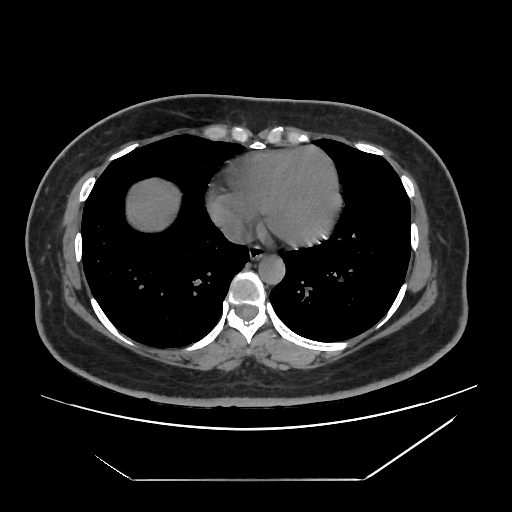
Abdominal CT — axial view — acquired on SOMATOM Force
{"organs":{"esophagus":[249,246,264,259],"inferior vena cava":[223,221,249,243],"aorta":[258,257,285,284],"liver":[127,178,179,228]}}